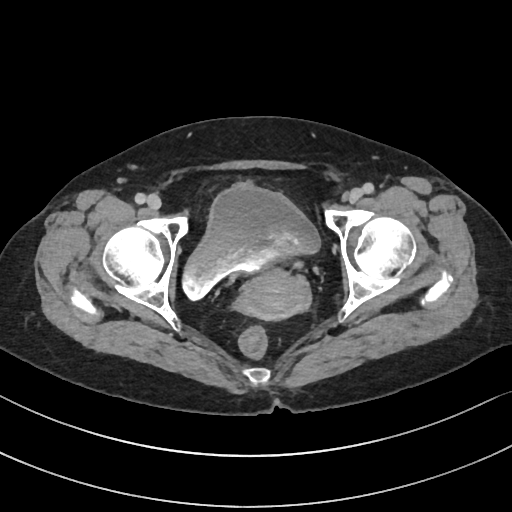 Abdominal CT · axial plane, index 30 · W/L 400/40 HU · 512x512 px · scan has 15 labeled organs (that count is for the whole scan; organs this slice misses have no box)
{"organs":{"prostate/uterus":[236,269,310,320],"bladder":[181,184,318,299]}}